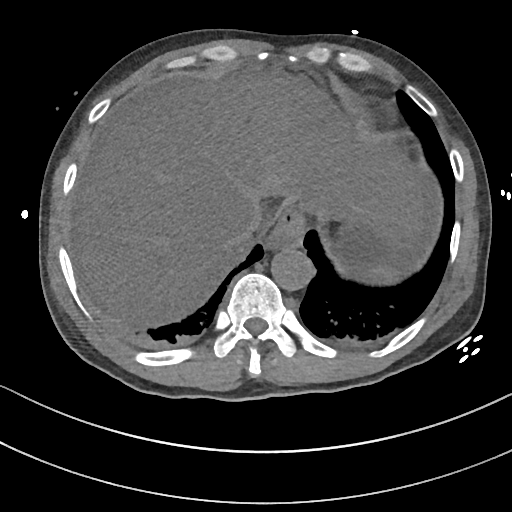

CT abdomen — axial view — 512x512 px — SOMATOM Force scanner — scan has 15 labeled organs (a whole-scan count: organs this slice does not pass through have no box)
Boxes: x1:y1:x2:y2 in pixels.
Organ bounding boxes:
- esophagus: 264:206:306:251
- stomach: 333:219:413:271
- inferior vena cava: 234:211:269:242
- spleen: 364:269:394:278
- aorta: 272:248:315:291
- liver: 72:73:437:320